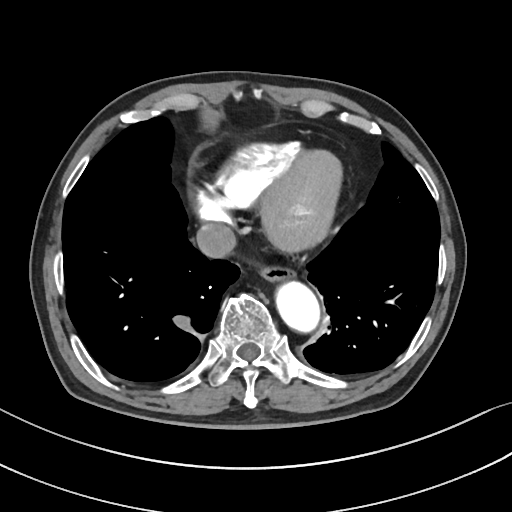

Abdominal CT; this slice is in the lower chest, just above the liver. Axial slice 202/306. W/L 400/40 HU. acquired on SOMATOM Force
No part of the heart or lungs is labeled in this dataset, so neither has a box here.
{"organs":{"inferior vena cava":[196,224,236,258],"esophagus":[260,265,293,282],"aorta":[276,281,319,331]}}